CT of the abdomen extending into the chest, slice through the chest. axial view. soft-tissue window
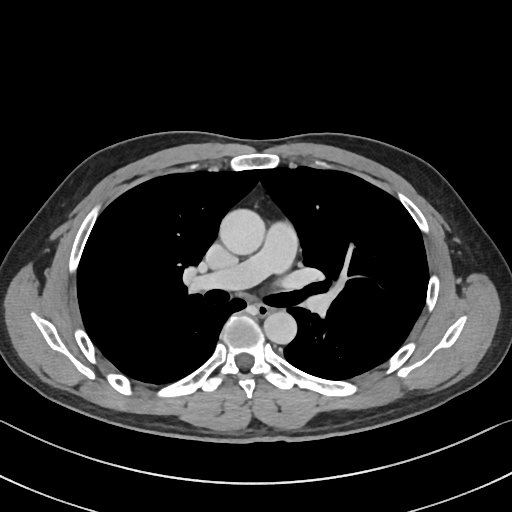

On a slice this high in the chest, this dataset labels only the esophagus and the aorta, and each is boxed only where it is labeled; the heart, lungs and other chest structures are not labeled. Boxes: x1 y1 x2 y2 (pixel coords, space-separated). 2 labeled organs on this slice — esophagus at 256 303 271 314; aorta at 219 208 264 254; aorta at 264 311 296 344.